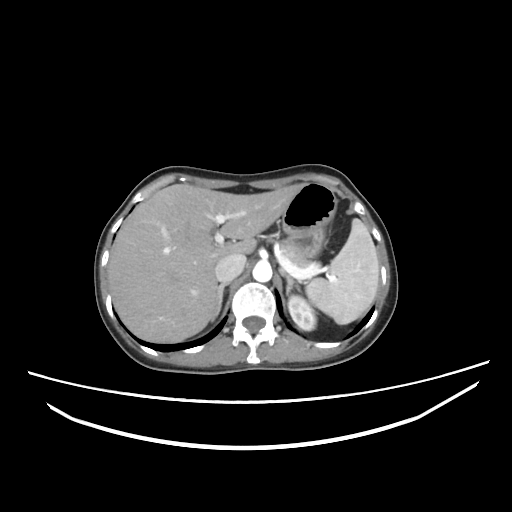

CT, abdomen/pelvis; axial view; abdomen soft-tissue window; 512x512 px; 43-year-old female patient; 15 organs annotated in this scan (counted over the whole 3D scan, not this slice; an organ is boxed only where this slice passes through it)
Bounding boxes as [x1, y1, x2, y2] in pixel coordinates.
Organ bounding boxes:
- aorta: [252, 262, 272, 282]
- liver: [108, 184, 301, 342]
- left kidney: [288, 295, 316, 330]
- spleen: [306, 218, 378, 324]
- pancreas: [281, 248, 308, 267]
- inferior vena cava: [215, 254, 245, 282]
- stomach: [279, 182, 337, 263]
- right adrenal gland: [211, 282, 229, 319]
- left adrenal gland: [279, 268, 301, 294]